Abdominal CT. axial view. soft-tissue window (W 400 / L 40). 512x512 px. 45-year-old female patient. scan has 15 labeled organs (a whole-scan count: organs this slice does not pass through have no box)
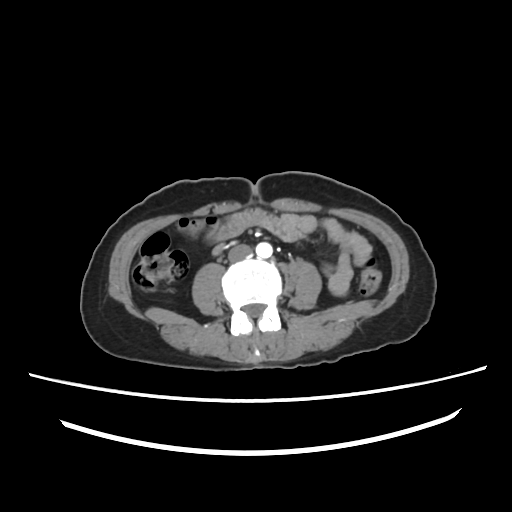
One row per box, in pixels: columns x1 and y1 give the top-left corner, x2 and y2 the bottom-right.
| organ | x1 | y1 | x2 | y2 |
|---|---|---|---|---|
| inferior vena cava | 228 | 244 | 252 | 262 |
| aorta | 256 | 242 | 272 | 258 |